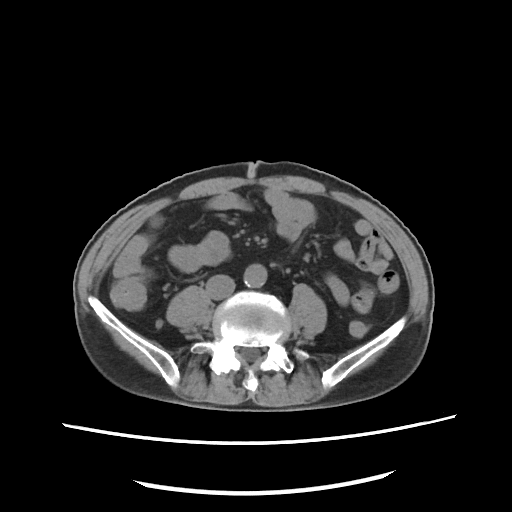

CT, abdomen/pelvis; Axial slice 41/78; W/L 400/40 HU; 68-year-old male patient; Aquilion ONE scanner
{"organs":{"aorta":[244,264,267,287],"inferior vena cava":[206,274,235,299]}}